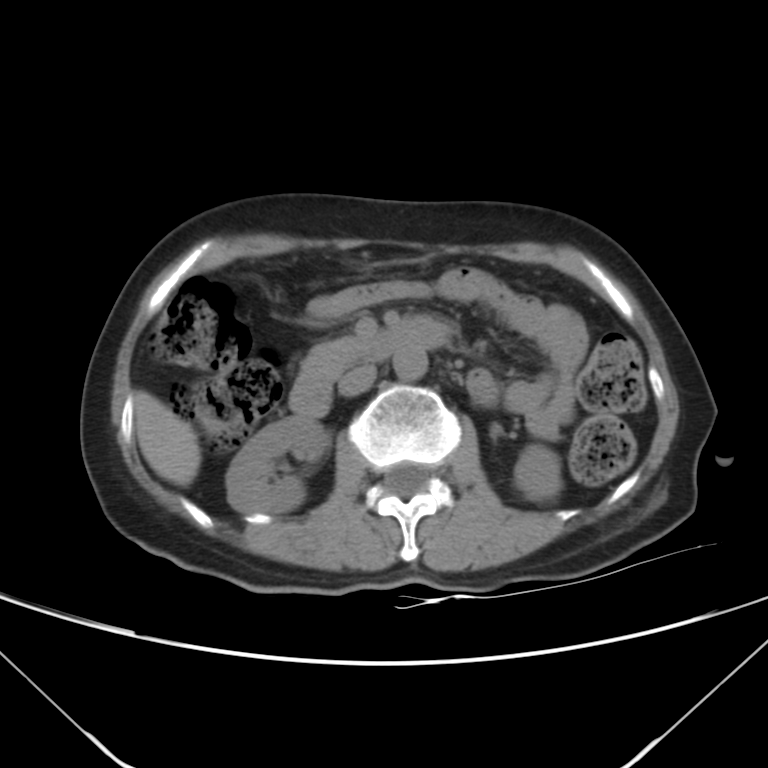

CT abdomen — axial view — 63-year-old female patient — 15 organs annotated in this scan (counted over the whole 3D scan, not this slice; an organ is boxed only where this slice passes through it)
<organs><organ name="right kidney" x1="225" y1="415" x2="329" y2="514"/><organ name="left kidney" x1="513" y1="445" x2="561" y2="500"/><organ name="liver" x1="134" y1="391" x2="201" y2="486"/><organ name="aorta" x1="393" y1="346" x2="427" y2="380"/><organ name="inferior vena cava" x1="339" y1="365" x2="376" y2="395"/><organ name="pancreas" x1="302" y1="337" x2="360" y2="378"/><organ name="duodenum" x1="290" y1="316" x2="449" y2="416"/></organs>